Computed tomography, abdomen; axial plane, index 33; 512x512 px; SOMATOM Force scanner; scan has 15 labeled organs (a whole-scan count: organs this slice does not pass through have no box)
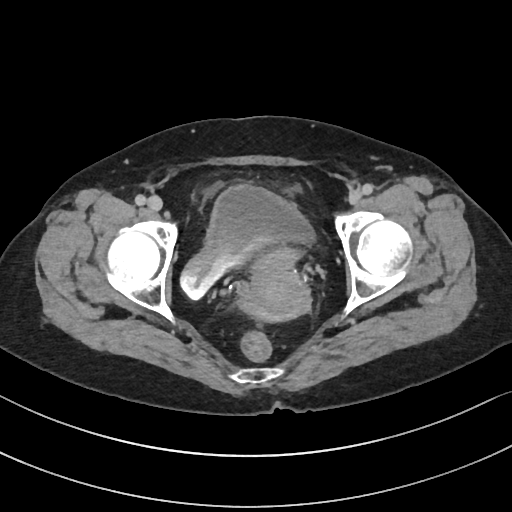 Box edges are left/top/right/bottom in pixels.
Organ bounding boxes:
- prostate/uterus: left=239, top=244, right=310, bottom=321
- bladder: left=180, top=185, right=313, bottom=298